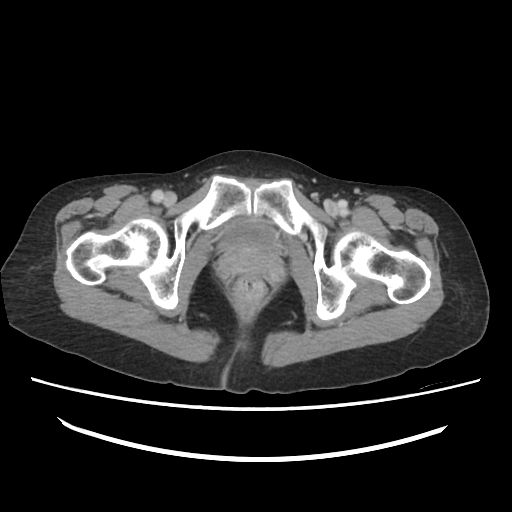

CT abdomen — axial view — soft-tissue window
<organs><organ name="bladder" x1="224" y1="223" x2="277" y2="247"/></organs>